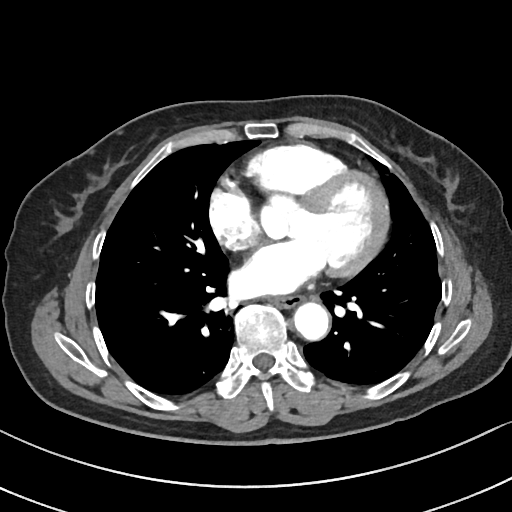

Abdominal CT; this slice is in the lower chest, just above the liver. axial view. W/L 400/40 HU. 512x512 px. 15 organs annotated in this scan (counted over the whole 3D scan, not this slice; an organ is boxed only where this slice passes through it)
Of the structures in the chest, this dataset labels only the esophagus, the aorta and the inferior vena cava; the heart and lungs have no label.
Boxes: x1:y1:x2:y2 in pixels.
Organ bounding boxes:
- esophagus: 273:295:302:307
- aorta: 293:302:329:340